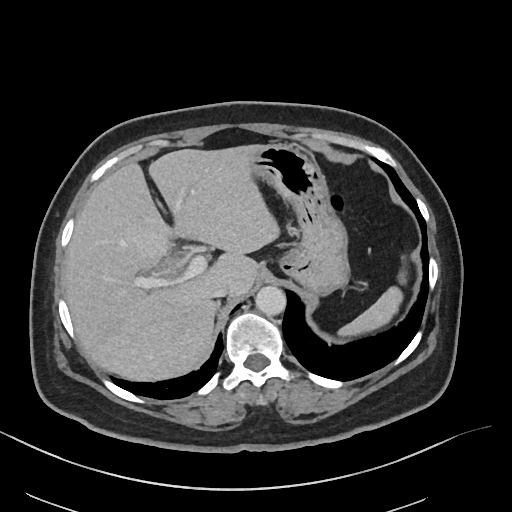 Computed tomography, abdomen — axial view
<organs><organ name="spleen" x1="338" y1="270" x2="406" y2="337"/><organ name="liver" x1="64" y1="145" x2="279" y2="381"/><organ name="stomach" x1="251" y1="144" x2="349" y2="294"/><organ name="aorta" x1="255" y1="286" x2="286" y2="316"/><organ name="inferior vena cava" x1="211" y1="281" x2="230" y2="297"/></organs>